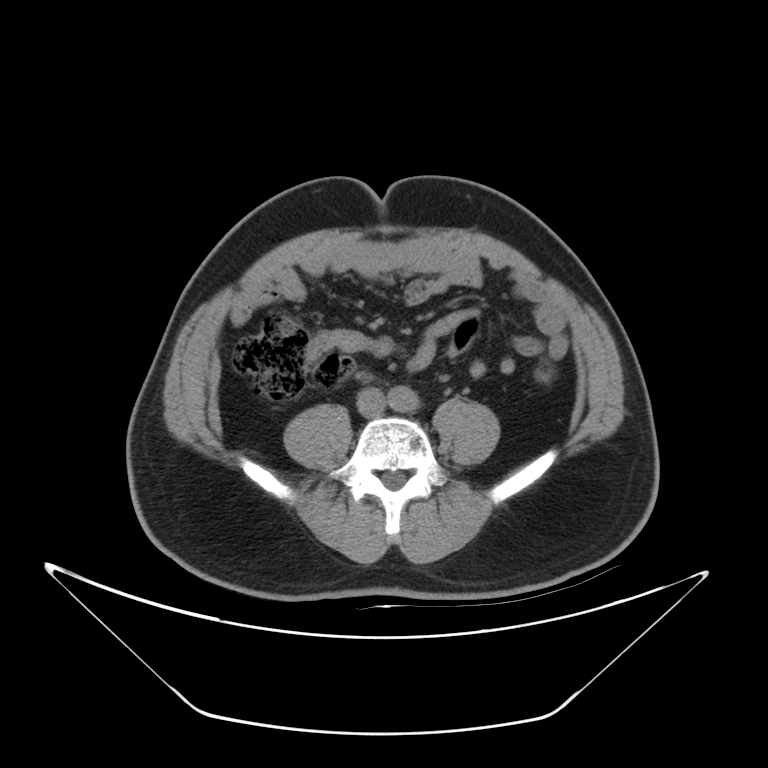
Abdominal CT — axial view — soft-tissue window (W 400 / L 40) — 55-year-old male patient
Each box given as x1,y1,x2,y2. Labeled organs on this slice: aorta at x1=388, y1=385, x2=418, y2=412, inferior vena cava at x1=357, y1=388, x2=385, y2=417.